Magnetic resonance imaging, abdomen — coronal view — 1st–99th percentile window — scan has 13 labeled organs (counted over the whole 3D scan, not this slice; an organ is boxed only where this slice passes through it)
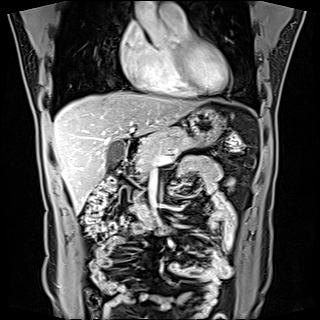 {"organs":{"gall bladder":[106,139,125,166],"liver":[52,91,197,213],"stomach":[189,108,224,145],"pancreas":[136,127,192,177],"duodenum":[125,138,141,162]}}